Chest-level slice from an abdominal CT that extends up into the chest — axial plane, index 225
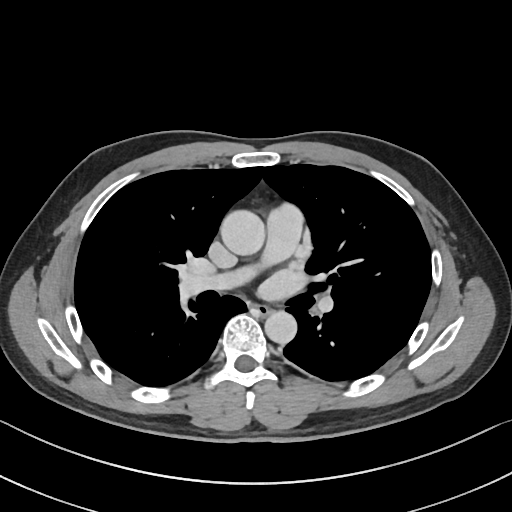 On a slice this high in the chest, this dataset labels only the esophagus and the aorta, and each is boxed only where it is labeled; the heart, lungs and other chest structures are not labeled.
Bounding boxes in pixels, one row per box: x1, y1 is the top-left corner and x2, y2 the bottom-right.
| organ | x1 | y1 | x2 | y2 |
|---|---|---|---|---|
| aorta | 221 | 210 | 265 | 256 |
| aorta | 265 | 310 | 297 | 344 |
| esophagus | 253 | 305 | 272 | 315 |